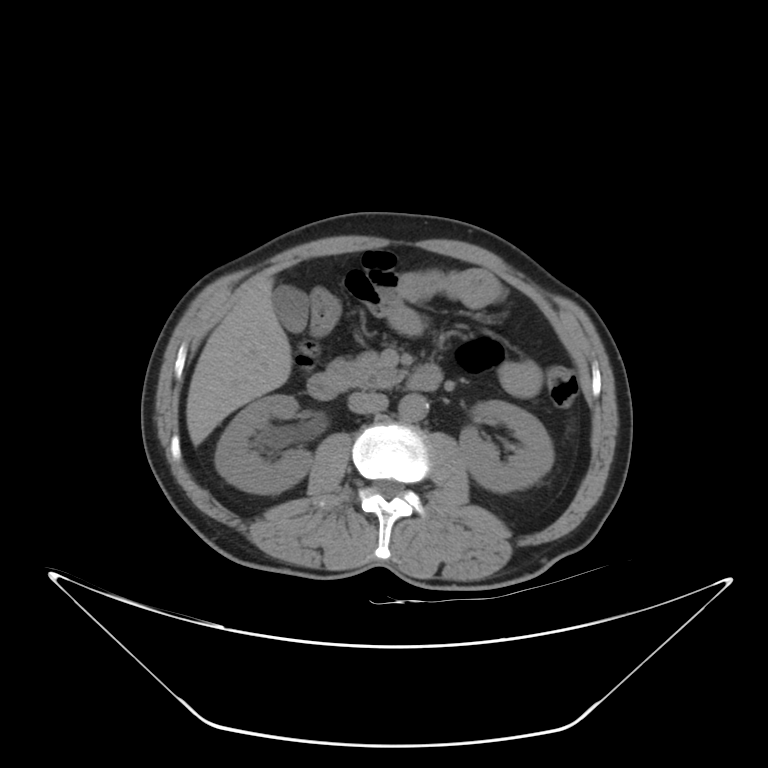

Computed tomography, abdomen. axial view. abdomen soft-tissue window. Brilliance16 scanner. 15 organs annotated in this scan (counted over the whole 3D scan, not this slice; an organ is boxed only where this slice passes through it)
{"organs":{"right kidney":[214,394,312,493],"left kidney":[458,401,554,492],"gall bladder":[272,284,309,332],"liver":[186,280,292,445],"aorta":[398,394,428,420],"inferior vena cava":[348,392,387,413],"pancreas":[325,351,402,388],"duodenum":[307,365,442,400]}}